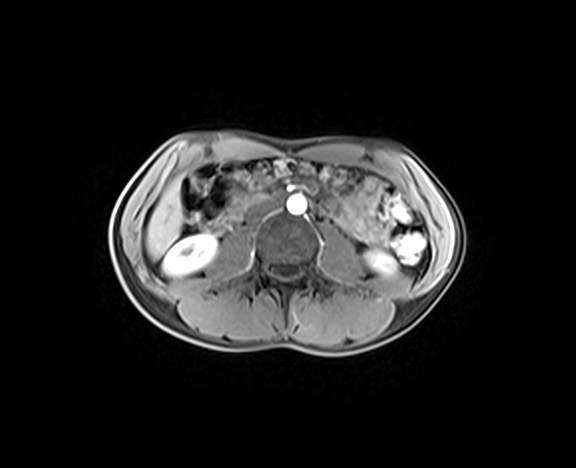

MRI, abdomen · axial plane, index 17 · 1st–99th percentile window · acquired on Prisma
Each box given as x1,y1,x2,y2.
Organ bounding boxes:
- right kidney: x1=163, y1=234, x2=216, y2=275
- left kidney: x1=366, y1=252, x2=395, y2=273
- liver: x1=147, y1=182, x2=183, y2=259
- aorta: x1=287, y1=194, x2=306, y2=214
- inferior vena cava: x1=246, y1=199, x2=278, y2=221
- duodenum: x1=236, y1=191, x2=286, y2=214